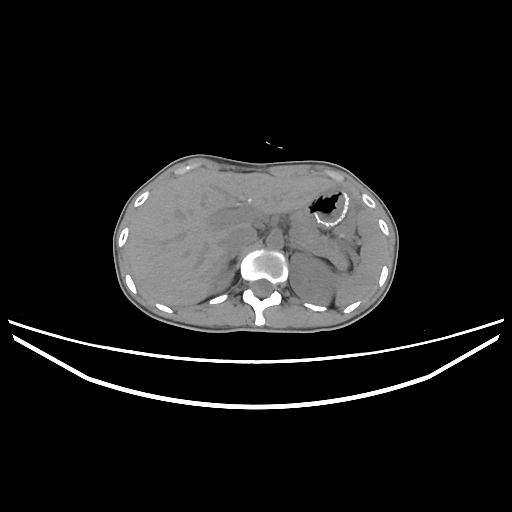 Abdominal CT · Axial slice 70/85 · 31-year-old female patient
Coordinates as <box>x1,y1,x2,y2</box> in pixels. Labeled organs on this slice: spleen at <box>335,210,385,307</box>, right kidney at <box>212,267,232,290</box>, left kidney at <box>290,253,337,305</box>, liver at <box>128,171,334,306</box>, stomach at <box>301,187,350,226</box>, aorta at <box>266,233,283,249</box>, inferior vena cava at <box>224,225,257,255</box>, pancreas at <box>290,213,347,264</box>, right adrenal gland at <box>223,256,232,267</box>, left adrenal gland at <box>290,244,312,255</box>.